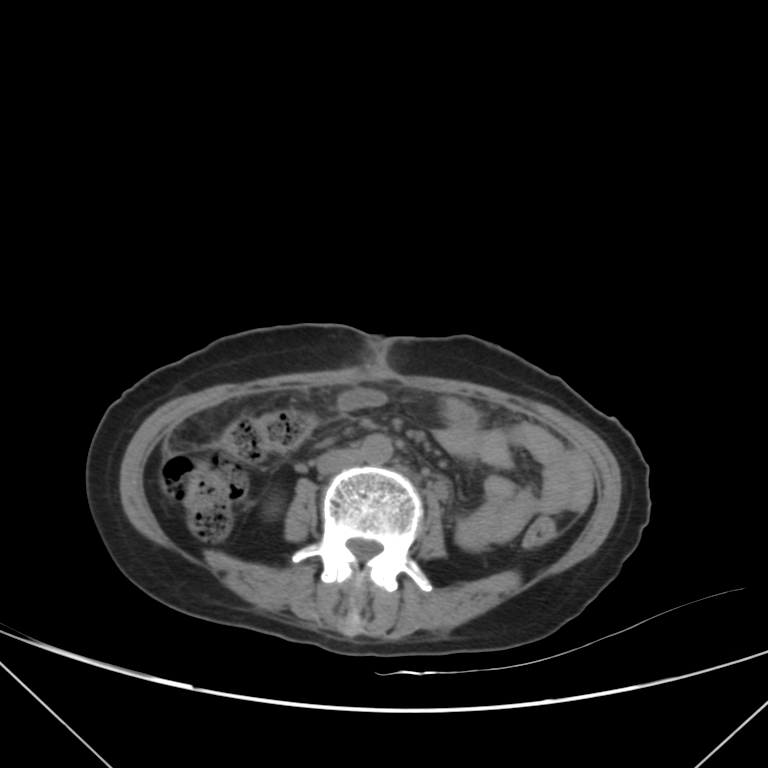 CT abdomen. axial view. 768x768 px. 39-year-old female patient. Brilliance16 scanner. 15 organs annotated in this scan (a whole-scan count: organs this slice does not pass through have no box)
Organ boxes in pixel coordinates; each row gives the top-left (x1, y1) and bottom-right (x2, y2) corners.
| organ | x1 | y1 | x2 | y2 |
|---|---|---|---|---|
| aorta | 360 | 435 | 393 | 464 |
| inferior vena cava | 316 | 447 | 363 | 474 |